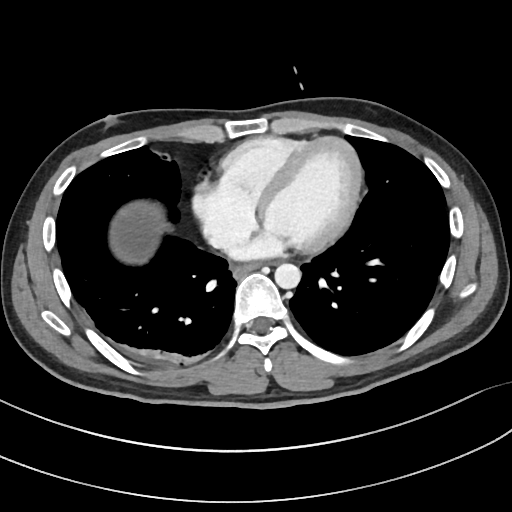

Lower-chest slice from an abdominal CT, just above the liver and spleen; axial plane, index 235; soft-tissue window, W/L 400/40
The heart and lungs are never labeled in this dataset, so they have no box on this slice.
Each box given as x1,y1,x2,y2.
esophagus: x1=232, y1=264, x2=259, y2=277
aorta: x1=274, y1=263, x2=300, y2=289
inferior vena cava: x1=212, y1=226, x2=250, y2=252